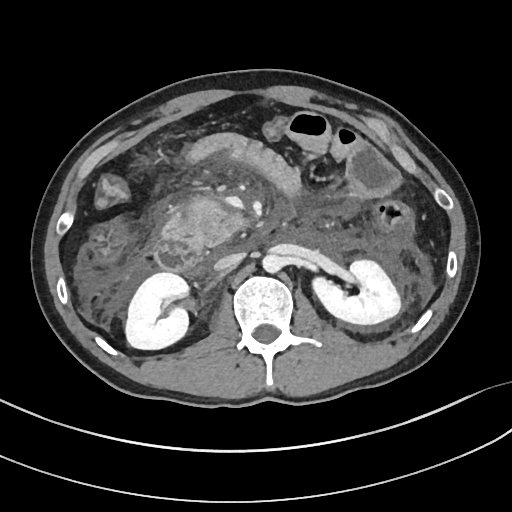
Abdominal CT — axial plane, index 149 — SOMATOM Force scanner — scan has 15 labeled organs (that count is for the whole scan; organs this slice misses have no box)
Boxes are (x1, y1, x2, y2) in pixels.
Organ bounding boxes:
- aorta: (262, 254, 283, 273)
- inferior vena cava: (214, 253, 243, 271)
- pancreas: (163, 199, 246, 250)
- right kidney: (125, 272, 188, 349)
- left kidney: (312, 260, 400, 324)
- duodenum: (155, 238, 209, 276)